Computed tomography, abdomen · axial plane, index 138
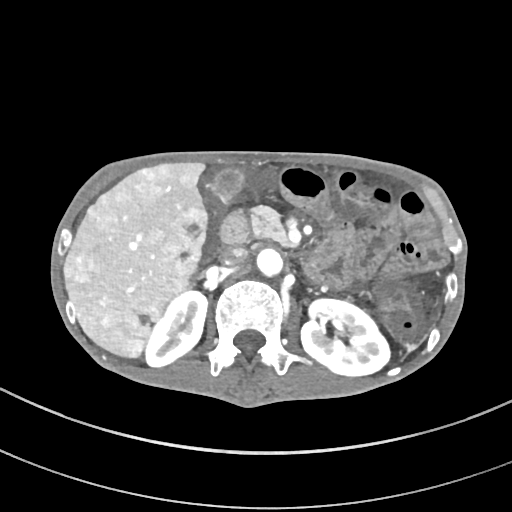

<organs><organ name="right kidney" x1="146" y1="288" x2="207" y2="367"/><organ name="left kidney" x1="301" y1="299" x2="390" y2="376"/><organ name="gall bladder" x1="207" y1="167" x2="247" y2="202"/><organ name="liver" x1="64" y1="163" x2="209" y2="359"/><organ name="aorta" x1="255" y1="247" x2="283" y2="277"/><organ name="inferior vena cava" x1="222" y1="247" x2="248" y2="265"/><organ name="pancreas" x1="251" y1="204" x2="293" y2="247"/><organ name="duodenum" x1="221" y1="211" x2="250" y2="242"/></organs>